CT, abdomen/pelvis. axial plane, index 105
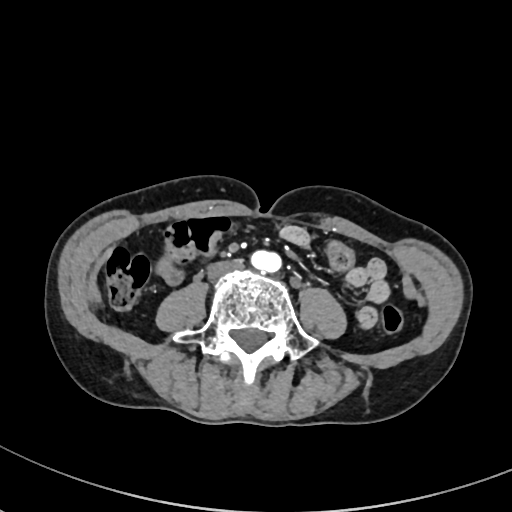

<organs><organ name="aorta" x1="244" y1="248" x2="281" y2="273"/><organ name="inferior vena cava" x1="207" y1="260" x2="243" y2="280"/></organs>